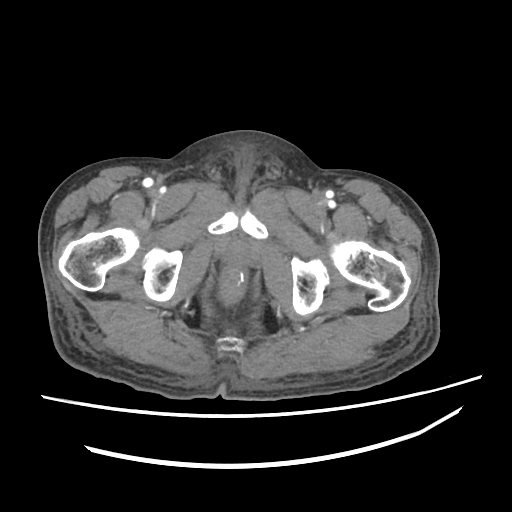
CT, abdomen/pelvis; Axial slice 20/103; soft-tissue window; acquired on Aquilion ONE
Boxes: x1 y1 x2 y2 (pixel coords, space-separated).
Organ bounding boxes:
- prostate/uterus: 225 240 251 260